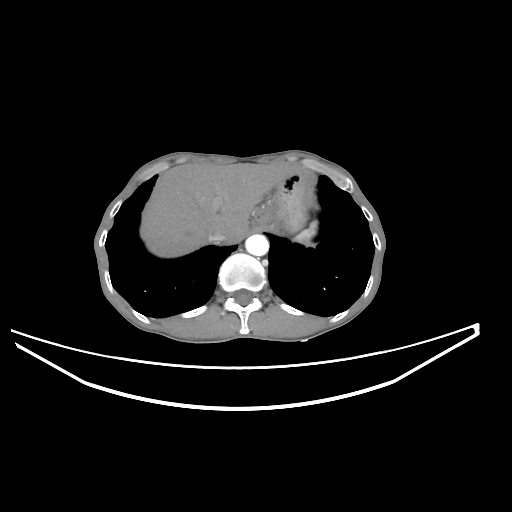
Abdominal CT — axial view — 512x512 px — 60-year-old male patient
Bounding boxes as [x1, y1, x2, y2] in pixel coordinates. The annotated organs in this slice are: liver at [140, 163, 289, 257], spleen at [294, 222, 316, 244], inferior vena cava at [207, 228, 227, 242], stomach at [253, 171, 305, 231], aorta at [245, 234, 268, 256].